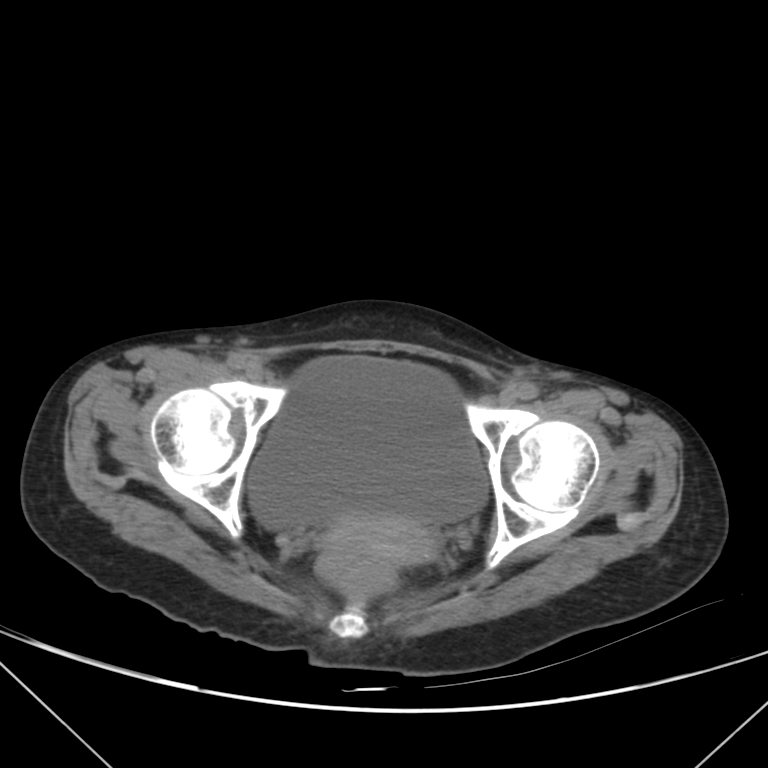

CT abdomen. axial view. 768x768 px
{"organs":{"bladder":[249,355,488,528],"prostate/uterus":[323,517,437,564]}}